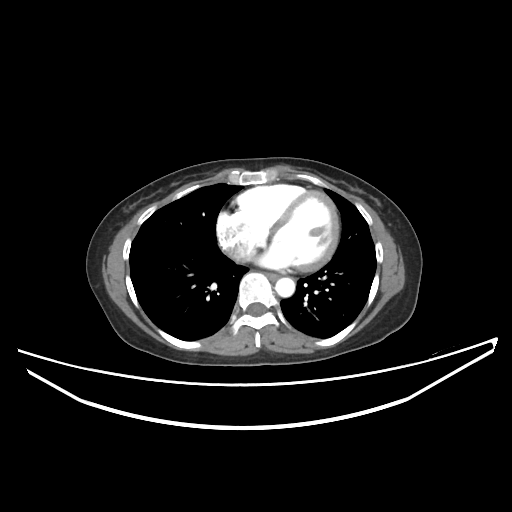 Abdominal CT; this slice is in the lower chest, just above the liver; axial view; 512x512 px; 37-year-old female patient
No part of the heart or lungs is labeled in this dataset, so neither has a box here.
<organs><organ name="esophagus" x1="268" y1="273" x2="278" y2="280"/><organ name="aorta" x1="275" y1="277" x2="295" y2="297"/></organs>